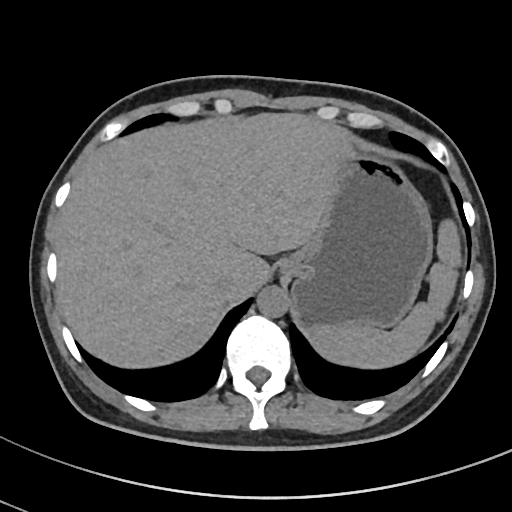 Computed tomography, abdomen; axial view; soft-tissue window (W 400 / L 40); 512x512 px
Box edges are left/top/right/bottom in pixels.
Organ bounding boxes:
- spleen: left=312, top=219, right=461, bottom=368
- liver: left=54, top=113, right=345, bottom=368
- stomach: left=280, top=145, right=432, bottom=329
- aorta: left=257, top=286, right=288, bottom=317
- inferior vena cava: left=215, top=271, right=238, bottom=295